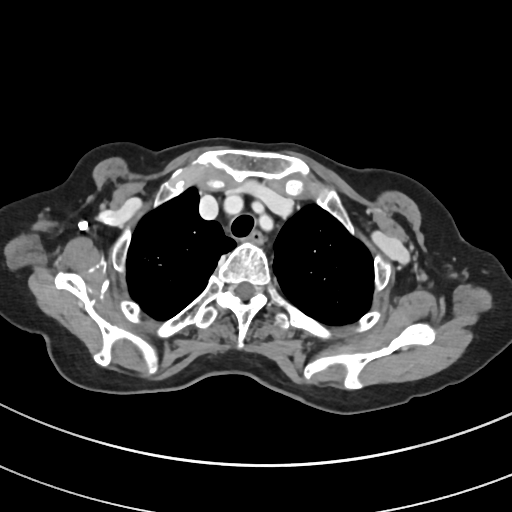 Chest-level slice from an abdominal CT that extends up into the chest — Axial slice 262/284 — 512x512 px — SOMATOM Force scanner
At this level of the chest no structure but the esophagus and the aorta has a label in this dataset, and those two are boxed only where they are labeled.
Boxes are (x1, y1, x2, y2) in pixels.
Organ bounding boxes:
- esophagus: (248, 231, 263, 244)